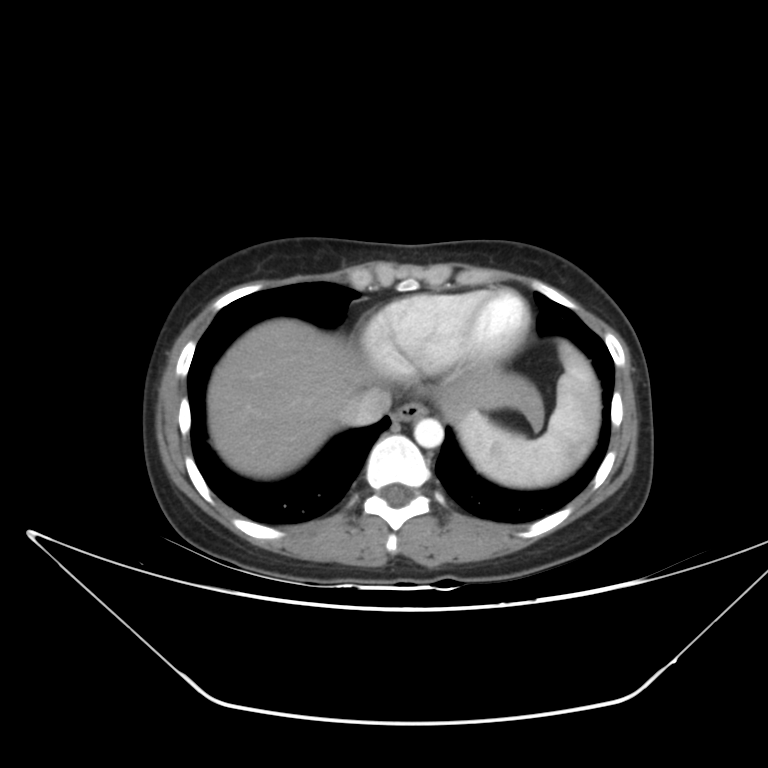
CT abdomen; Axial slice 35/72; abdomen soft-tissue window; 768x768 px
{"organs":{"spleen":[456,341,600,487],"esophagus":[393,401,427,422],"liver":[207,318,544,478],"aorta":[414,417,443,447],"inferior vena cava":[339,388,391,426]}}